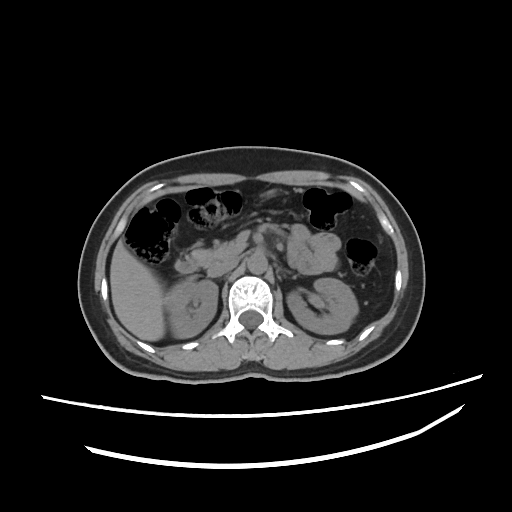
Abdominal CT. axial plane, index 68. soft-tissue window
<organs><organ name="left kidney" x1="287" y1="278" x2="357" y2="334"/><organ name="inferior vena cava" x1="207" y1="259" x2="236" y2="277"/><organ name="duodenum" x1="174" y1="249" x2="214" y2="271"/><organ name="right kidney" x1="165" y1="279" x2="219" y2="337"/><organ name="liver" x1="109" y1="238" x2="165" y2="341"/><organ name="pancreas" x1="212" y1="241" x2="246" y2="260"/><organ name="stomach" x1="266" y1="190" x2="278" y2="199"/><organ name="aorta" x1="247" y1="254" x2="267" y2="274"/></organs>